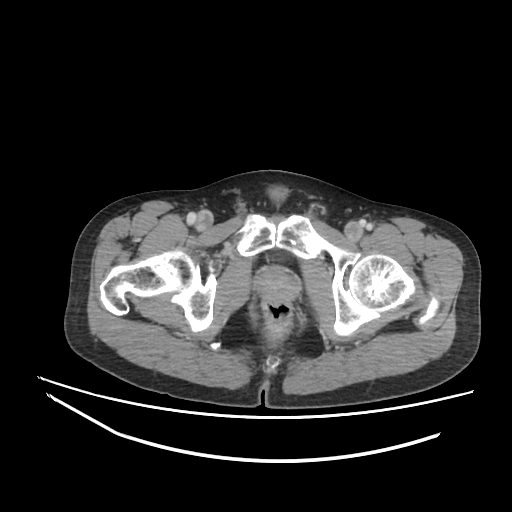
CT abdomen · Axial slice 9/128 · 54-year-old male patient · Aquilion ONE scanner · 15 organs annotated in this scan (a whole-scan count: organs this slice does not pass through have no box)
Box edges are left/top/right/bottom in pixels. The annotated organs in this slice are: prostate/uterus at left=255, top=266, right=298, bottom=301.